Computed tomography, abdomen · Axial slice 79/89 · soft-tissue window · Aquilion ONE scanner
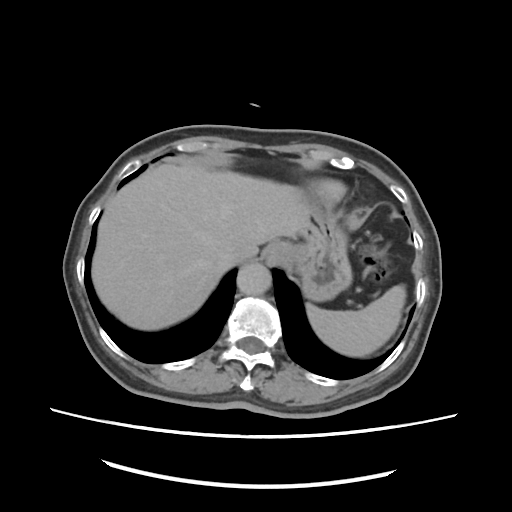
Boxes: x1 y1 x2 y2 (pixel coords, space-separated).
liver: 92 163 311 329
aorta: 237 264 271 295
inferior vena cava: 229 243 258 266
esophagus: 260 242 290 264
stomach: 285 206 351 300
spleen: 306 286 405 356